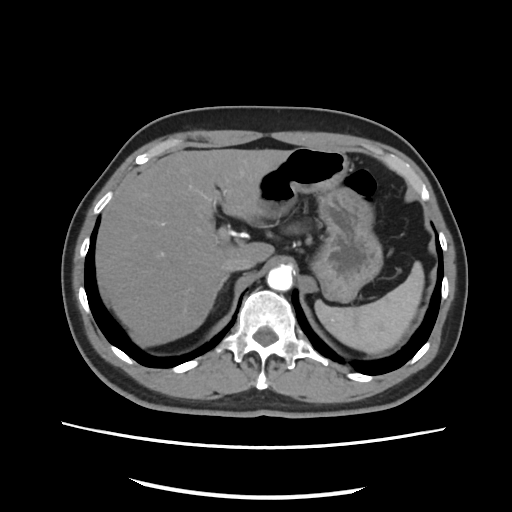
Abdominal CT — Axial slice 80/91 — 66-year-old male patient — 15 organs annotated in this scan (a whole-scan count: organs this slice does not pass through have no box)
{"organs":{"aorta":[266,265,292,291],"pancreas":[306,236,311,241],"spleen":[315,261,424,354],"inferior vena cava":[220,254,256,272],"right adrenal gland":[220,273,229,287],"stomach":[256,146,382,302],"liver":[95,148,290,346]}}